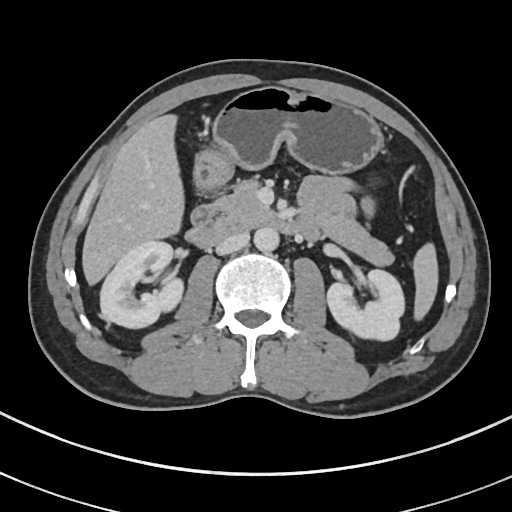
CT, abdomen/pelvis · axial view · abdomen soft-tissue window
Boxes are (x1, y1, x2, y2) in pixels.
Organ bounding boxes:
- spleen: (411, 240, 439, 319)
- right kidney: (100, 241, 184, 329)
- left kidney: (327, 270, 403, 341)
- liver: (81, 112, 182, 286)
- stomach: (193, 86, 383, 193)
- aorta: (253, 227, 278, 251)
- inferior vena cava: (216, 230, 249, 254)
- pancreas: (213, 176, 394, 266)
- duodenum: (186, 205, 305, 247)